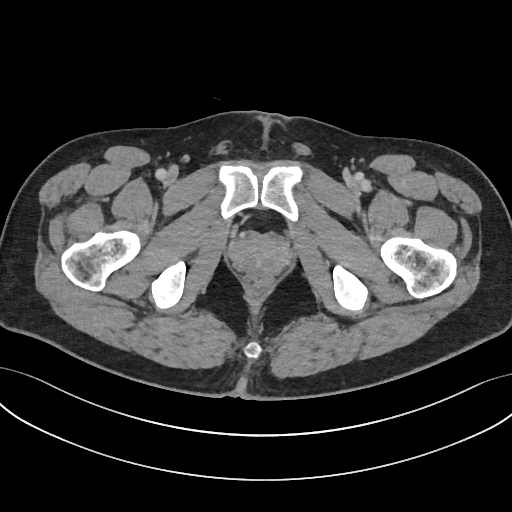 CT abdomen; axial view; abdomen soft-tissue window; 512x512 px
Boxes: x1 y1 x2 y2 (pixel coords, space-separated). The annotated organs in this slice are: prostate/uterus at 231 236 286 275.